Magnetic resonance imaging, abdomen — Axial slice 27/72 — 576x468 px
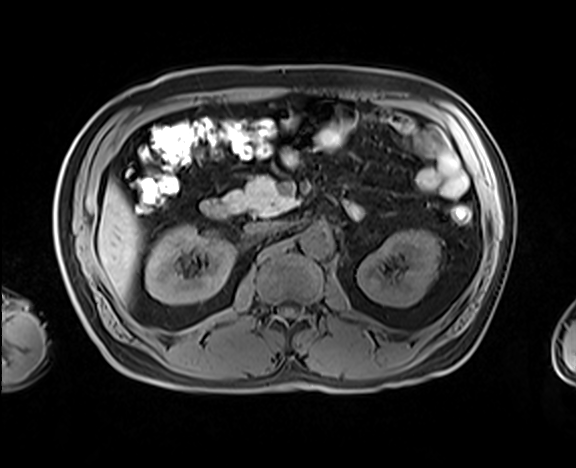

<organs><organ name="right kidney" x1="145" y1="225" x2="234" y2="304"/><organ name="left kidney" x1="357" y1="230" x2="440" y2="307"/><organ name="liver" x1="98" y1="182" x2="141" y2="299"/><organ name="aorta" x1="299" y1="226" x2="333" y2="256"/><organ name="inferior vena cava" x1="246" y1="221" x2="288" y2="233"/><organ name="pancreas" x1="225" y1="176" x2="295" y2="216"/><organ name="duodenum" x1="201" y1="200" x2="232" y2="218"/></organs>